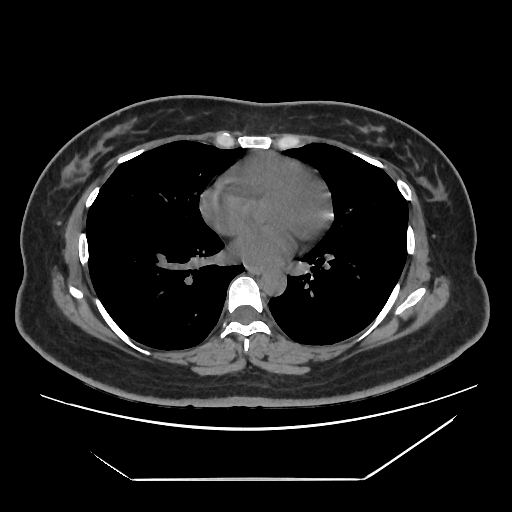
Lower-chest slice from an abdominal CT, just above the liver and spleen; axial plane, index 343; soft-tissue window, W/L 400/40; SOMATOM Force scanner
Of the structures in the chest, this dataset labels only the esophagus, the aorta and the inferior vena cava; the heart and lungs have no label.
<organs><organ name="esophagus" x1="248" y1="266" x2="261" y2="273"/><organ name="aorta" x1="260" y1="269" x2="286" y2="294"/></organs>